Computed tomography, abdomen — axial view — 512x512 px
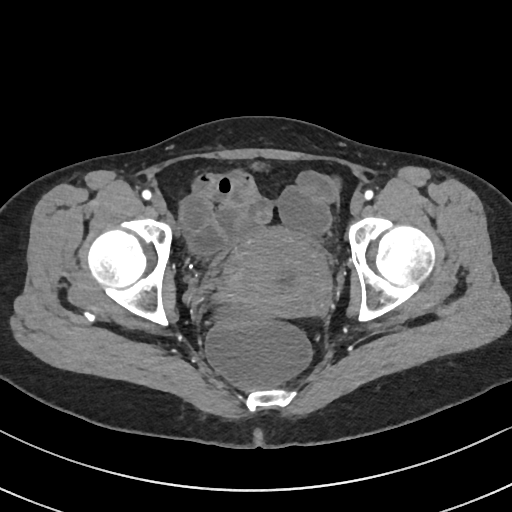

{"organs":{"prostate/uterus":[215,228,330,314]}}